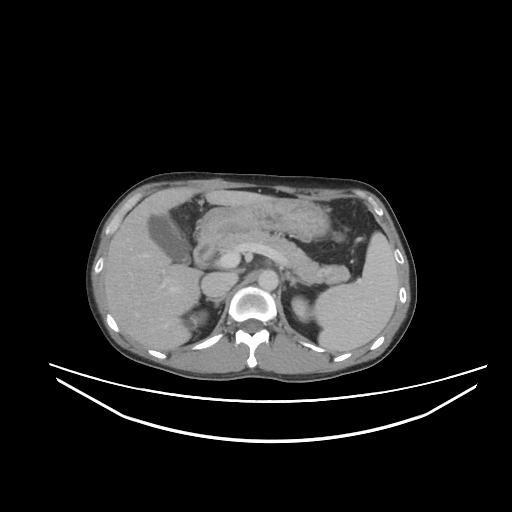 CT, abdomen/pelvis — axial view — soft-tissue window (W 400 / L 40) — 47-year-old male patient — Aquilion ONE scanner — 15 organs annotated in this scan (that count is for the whole scan; organs this slice misses have no box)
Bounding boxes as [x1, y1, x2, y2] in pixel coordinates. The annotated organs in this slice are: stomach at [198, 198, 329, 242], liver at [103, 187, 273, 350], right adrenal gland at [206, 296, 224, 307], pancreas at [215, 230, 349, 283], aorta at [258, 270, 278, 290], gall bladder at [148, 215, 189, 262], left adrenal gland at [285, 273, 310, 285], spleen at [313, 232, 399, 351], inferior vena cava at [201, 272, 237, 296], left kidney at [291, 297, 309, 321], duodenum at [193, 242, 215, 268], right kidney at [189, 311, 207, 328].